Computed tomography, abdomen. Axial slice 88/100. W/L 400/40 HU. 768x768 px. scan has 15 labeled organs (a whole-scan count: organs this slice does not pass through have no box)
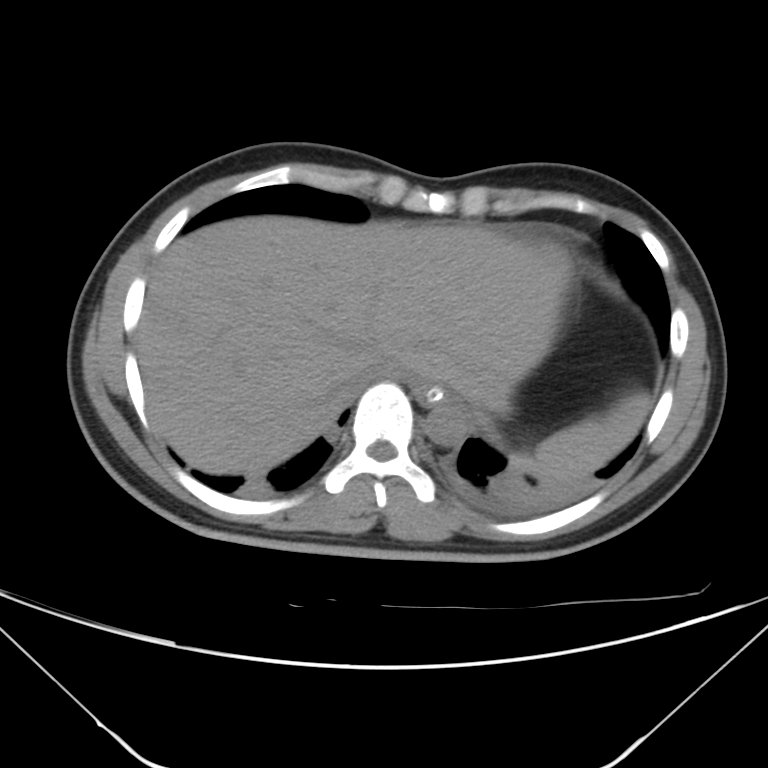

{"organs":{"spleen":[500,407,616,484],"esophagus":[414,381,447,404],"liver":[137,215,650,476],"aorta":[425,400,466,446],"inferior vena cava":[360,361,409,383]}}